Computed tomography, abdomen. axial view. abdomen soft-tissue window. 512x512 px. acquired on SOMATOM Force
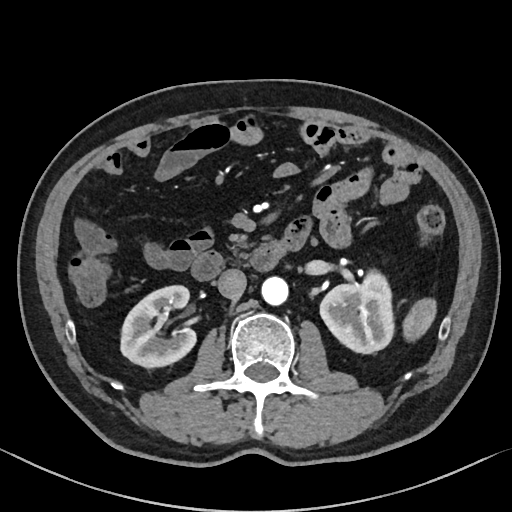

Coordinates as <box>x1,y1,x2,y2</box> in pixels.
Organ bounding boxes:
- spleen: <box>402,298,436,341</box>
- right kidney: <box>120,286,197,368</box>
- left kidney: <box>320,270,394,353</box>
- aorta: <box>261,277,288,307</box>
- inferior vena cava: <box>217,269,246,298</box>
- pancreas: <box>224,232,249,259</box>
- duodenum: <box>191,229,305,280</box>